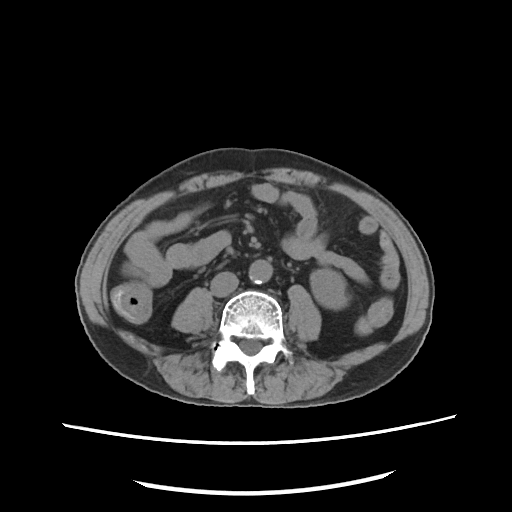
CT abdomen; axial view; W/L 400/40 HU; 512x512 px; 68-year-old male patient
Boxes are (x1, y1, x2, y2) in pixels.
Organ bounding boxes:
- inferior vena cava: (210, 271, 238, 296)
- aorta: (249, 259, 272, 283)
- left kidney: (310, 269, 348, 309)